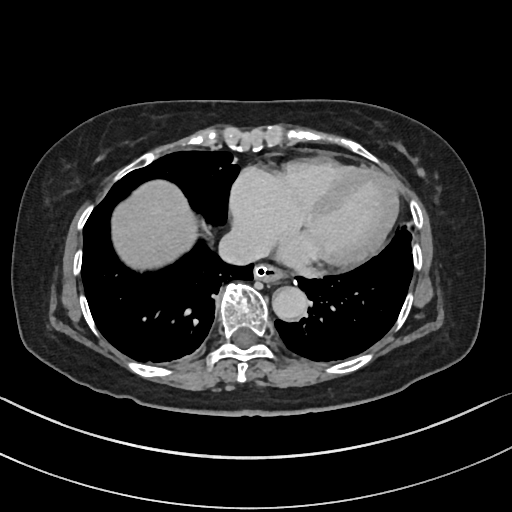
Computed tomography, abdomen. axial view. acquired on SOMATOM Force
Bounding boxes in pixels, one row per box: x1, y1 is the top-left corner and x2, y2 the bottom-right.
| organ | x1 | y1 | x2 | y2 |
|---|---|---|---|---|
| inferior vena cava | 218 | 228 | 268 | 265 |
| esophagus | 255 | 263 | 285 | 282 |
| aorta | 272 | 286 | 308 | 320 |
| liver | 112 | 180 | 197 | 269 |